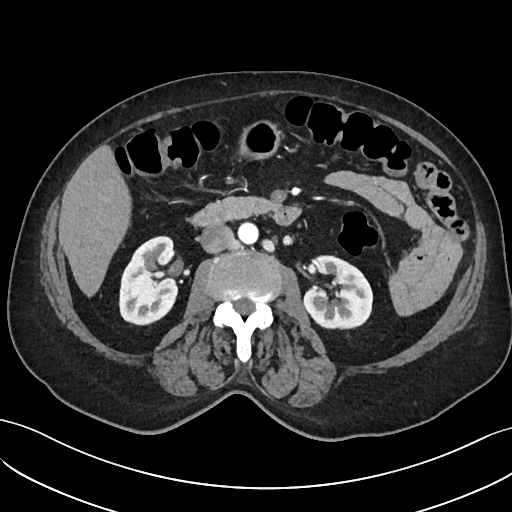 Computed tomography, abdomen; axial plane, index 116
Boxes are (x1, y1, x2, y2) in pixels.
right kidney: (119, 236, 177, 324)
pancreas: (203, 197, 276, 219)
inferior vena cava: (200, 225, 234, 253)
liver: (58, 145, 131, 297)
stomach: (241, 122, 278, 160)
duodenum: (190, 207, 300, 227)
aorta: (238, 223, 258, 244)
left kidney: (304, 256, 372, 328)